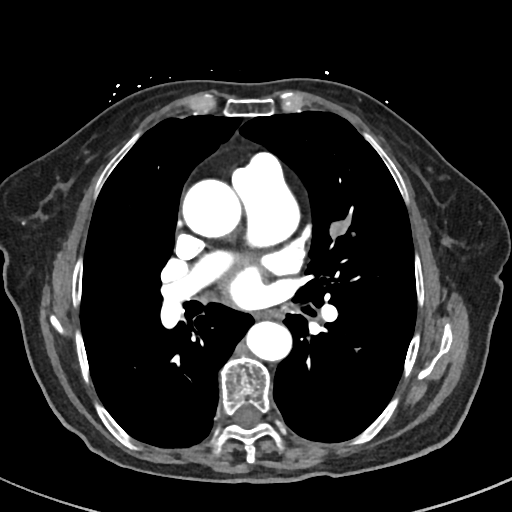

CT of the abdomen extending into the chest, slice through the chest. axial view. soft-tissue window, W/L 400/40. 512x512 px
At this level of the chest no structure but the esophagus and the aorta has a label in this dataset, and those two are boxed only where they are labeled.
{"organs":{"esophagus":[260,310,284,318],"aorta":[[182,179,241,237],[246,321,292,361]]}}